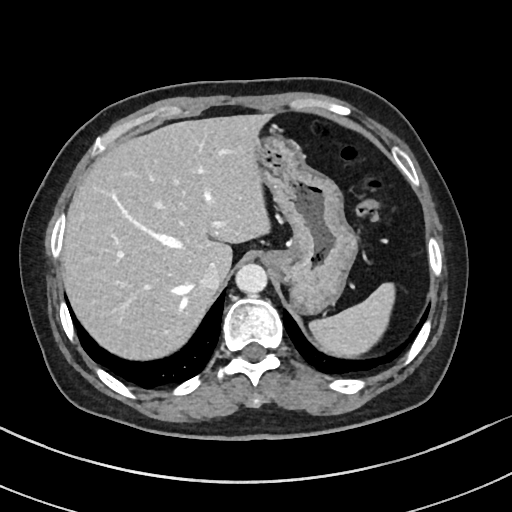 CT, abdomen/pelvis — axial view — W/L 400/40 HU — 512x512 px
Coordinates as <box>x1,y1,x2,y2</box> in pixels. Labeled organs on this slice: inferior vena cava at <box>199,262,224,290</box>, liver at <box>61,113,268,359</box>, aorta at <box>235,263,266,293</box>, stomach at <box>253,121,357,313</box>, spleen at <box>309,281,392,359</box>.